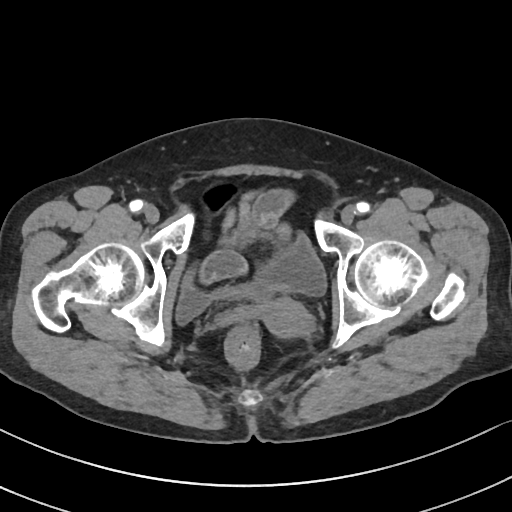

CT, abdomen/pelvis · Axial slice 29/294
Each box given as x1,y1,x2,y2.
Organ bounding boxes:
- bladder: x1=176, y1=234, x2=326, y2=323
- prostate/uterus: x1=262, y1=298, x2=311, y2=337